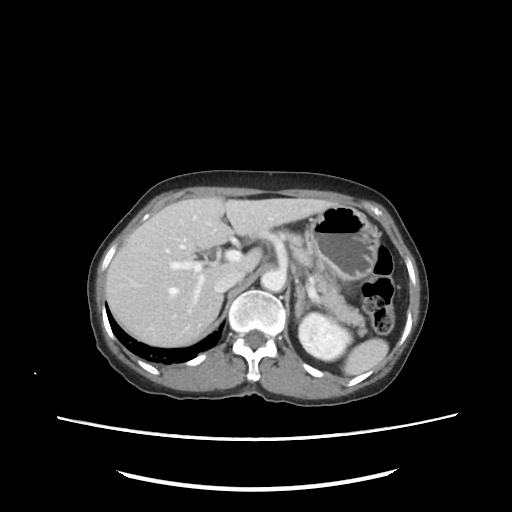 CT abdomen; axial plane, index 68; soft-tissue window (W 400 / L 40); 15 organs annotated in this scan (counted over the whole 3D scan, not this slice; an organ is boxed only where this slice passes through it)
One row per box, in pixels: columns x1 and y1 give the top-left corner, x2 and y2 the bottom-right.
| organ | x1 | y1 | x2 | y2 |
|---|---|---|---|---|
| spleen | 343 | 338 | 388 | 375 |
| left kidney | 299 | 313 | 351 | 360 |
| liver | 105 | 196 | 336 | 346 |
| stomach | 306 | 204 | 380 | 281 |
| aorta | 260 | 271 | 284 | 291 |
| inferior vena cava | 214 | 271 | 244 | 291 |
| pancreas | 278 | 230 | 369 | 337 |
| left adrenal gland | 295 | 277 | 312 | 320 |